CT, abdomen/pelvis — axial plane, index 45 — 512x512 px — 15 organs annotated in this scan (counted over the whole 3D scan, not this slice; an organ is boxed only where this slice passes through it)
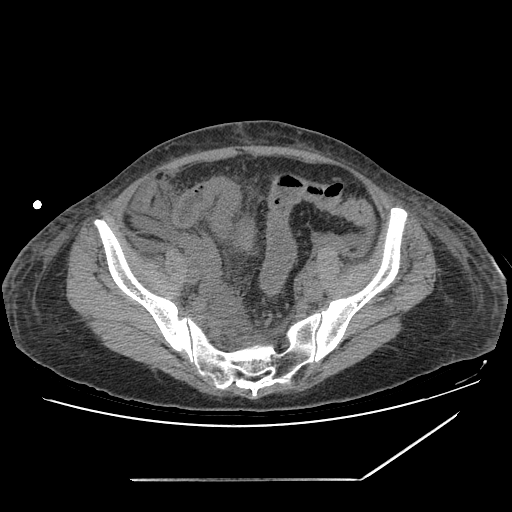
Bounding boxes as [x1, y1, x2, y2] in pixel coordinates. The annotated organs in this slice are: prostate/uterus at [233, 219, 254, 246].